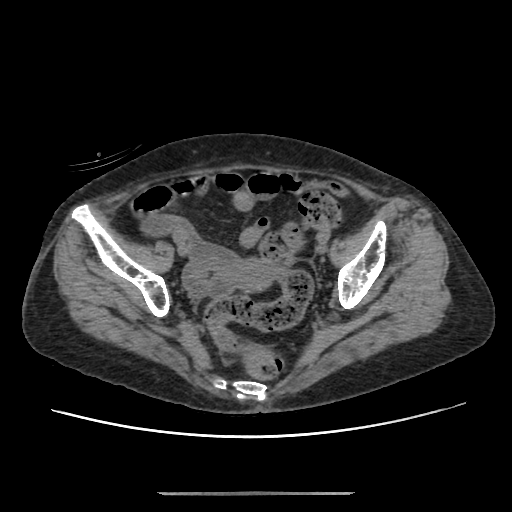 CT abdomen — Axial slice 92/353 — 512x512 px — acquired on SOMATOM Force — 14 organs annotated in this scan (counted over the whole 3D scan, not this slice; an organ is boxed only where this slice passes through it)
Bounding boxes as [x1, y1, x2, y2] in pixel coordinates.
Organ bounding boxes:
- prostate/uterus: [222, 257, 280, 292]